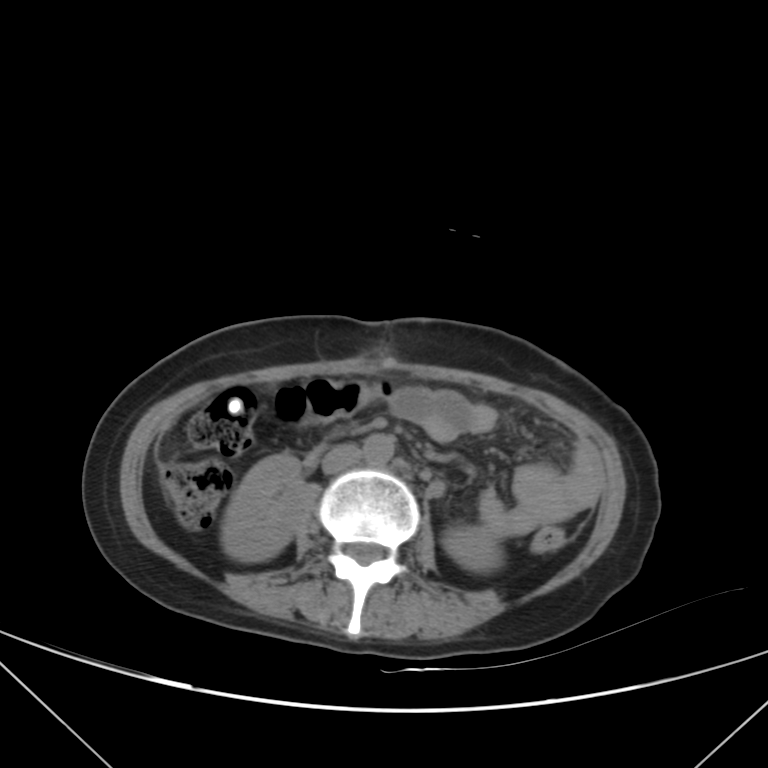

Computed tomography, abdomen. axial plane, index 50. Brilliance16 scanner. 15 organs annotated in this scan (counted over the whole 3D scan, not this slice; an organ is boxed only where this slice passes through it)
{"organs":{"aorta":[362,433,393,464],"right kidney":[220,453,305,561],"inferior vena cava":[321,443,363,474],"left kidney":[442,524,503,572]}}